CT abdomen — Axial slice 49/235 — scan has 15 labeled organs (that count is for the whole scan; organs this slice misses have no box)
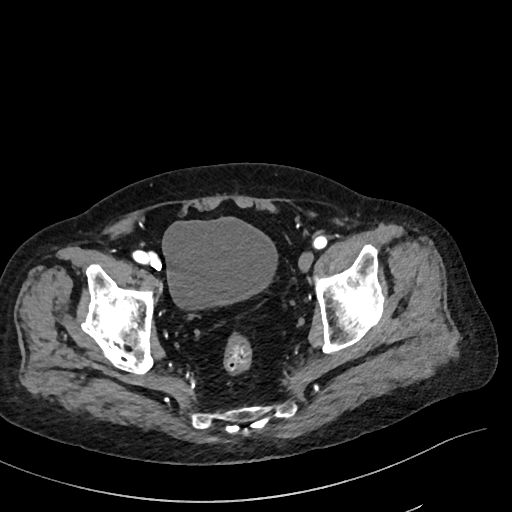

Boxes: x1:y1:x2:y2 in pixels.
Organ bounding boxes:
- bladder: 162:217:277:309